CT of the abdomen extending into the chest, slice through the chest · axial plane, index 213 · soft-tissue window · 15 organs annotated in this scan (a whole-scan count: organs this slice does not pass through have no box)
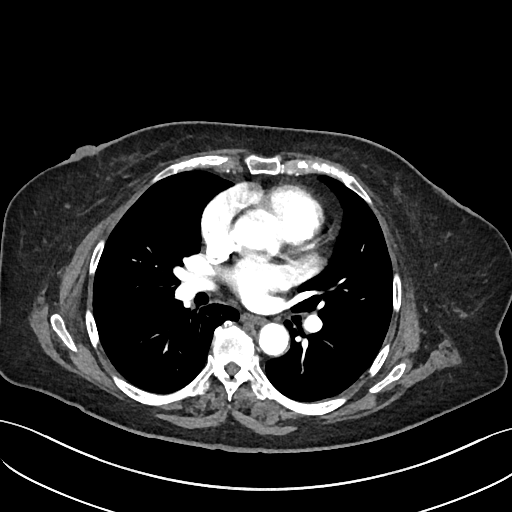

At this level of the chest this dataset labels only the esophagus and the aorta, and each is boxed only where it is labeled; the heart and lungs are never labeled.
{"organs":{"esophagus":[243,315,265,324],"aorta":[258,324,288,356]}}